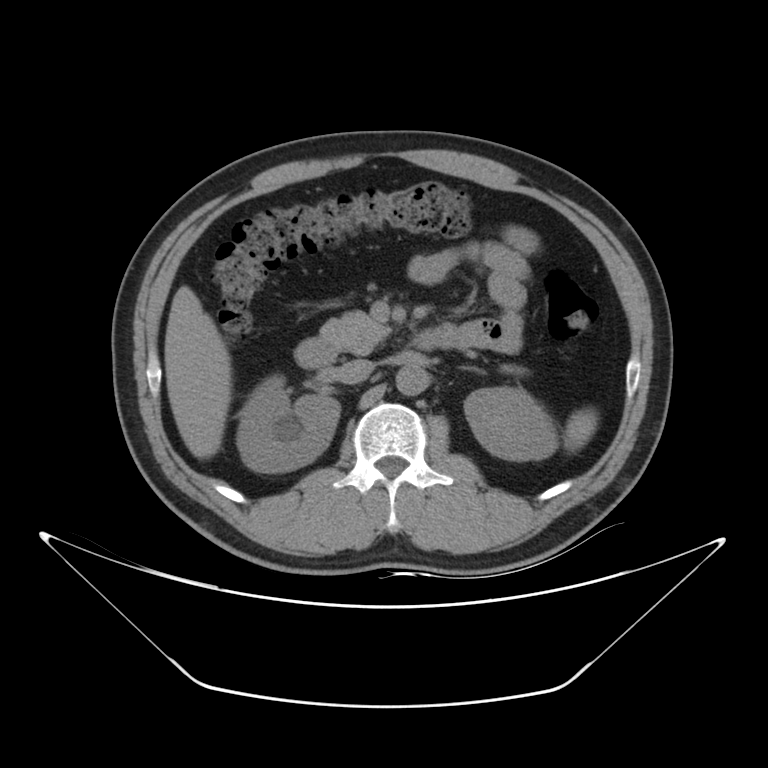

Abdominal CT — axial view — abdomen soft-tissue window — Brilliance16 scanner
One row per box, in pixels: columns x1 and y1 give the top-left corner, x2 and y2 the bottom-right.
| organ | x1 | y1 | x2 | y2 |
|---|---|---|---|---|
| spleen | 563 | 409 | 597 | 451 |
| right kidney | 237 | 374 | 340 | 472 |
| left kidney | 463 | 386 | 557 | 461 |
| liver | 165 | 286 | 231 | 458 |
| aorta | 396 | 367 | 426 | 395 |
| inferior vena cava | 337 | 359 | 373 | 384 |
| pancreas | 320 | 310 | 519 | 371 |
| duodenum | 295 | 328 | 440 | 368 |